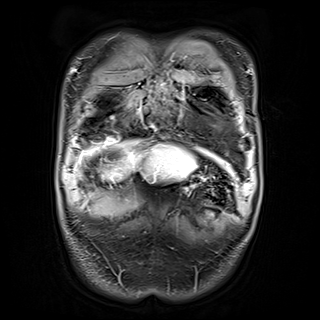
Abdominal MR · coronal acquisition · percentile-normalized · 320x320 px
Boxes: x1 y1 x2 y2 (pixel coords, space-separated).
Organ bounding boxes:
- stomach: 187 174 200 186
- liver: 87 143 195 179